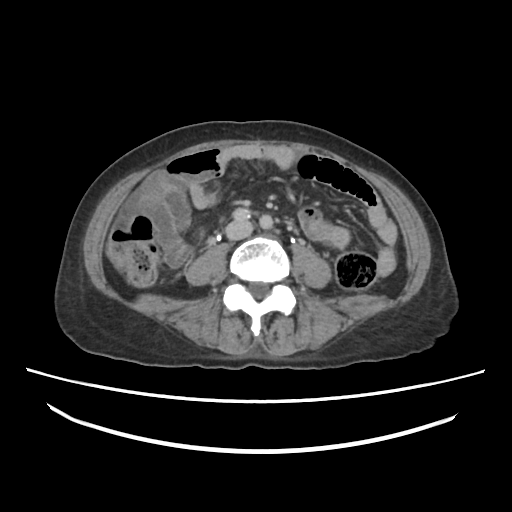 CT abdomen — Axial slice 45/100 — abdomen soft-tissue window — 512x512 px — acquired on Aquilion ONE — 15 organs annotated in this scan (a whole-scan count: organs this slice does not pass through have no box)
Boxes: x1 y1 x2 y2 (pixel coords, space-separated). Labeled organs on this slice: inferior vena cava at 224 219 252 241.